CT, abdomen/pelvis; axial view; abdomen soft-tissue window; 512x512 px; acquired on Aquilion ONE
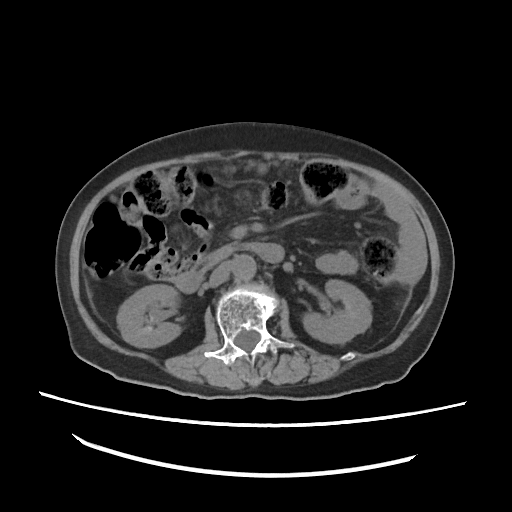

{"organs":{"left kidney":[303,280,371,343],"pancreas":[208,243,236,261],"inferior vena cava":[209,262,230,287],"aorta":[231,255,255,279],"duodenum":[174,242,284,291],"right kidney":[116,285,179,346]}}